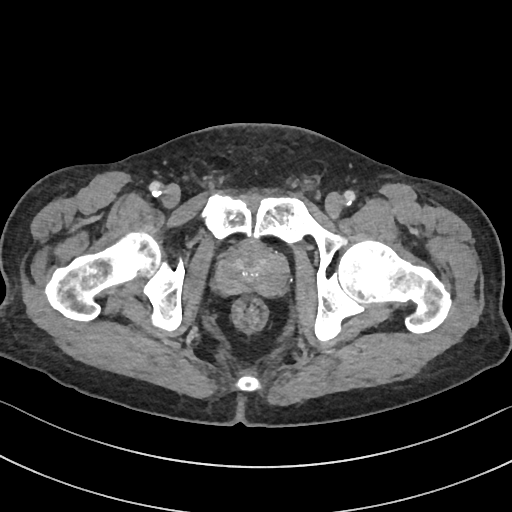

CT, abdomen/pelvis. axial view. 512x512 px
<organs><organ name="prostate/uterus" x1="216" y1="245" x2="286" y2="295"/></organs>